CT abdomen. Axial slice 43/221
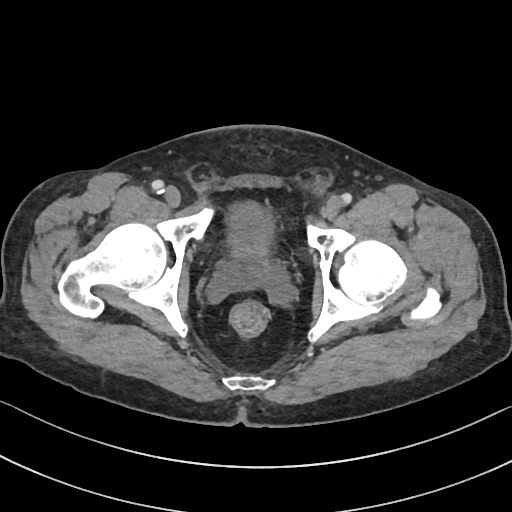
Coordinates as <box>x1,y1,x2,y2</box> in pixels. Labeled organs on this slice: bladder at <box>229,202,272,248</box>, prostate/uterus at <box>221,246,278,286</box>.